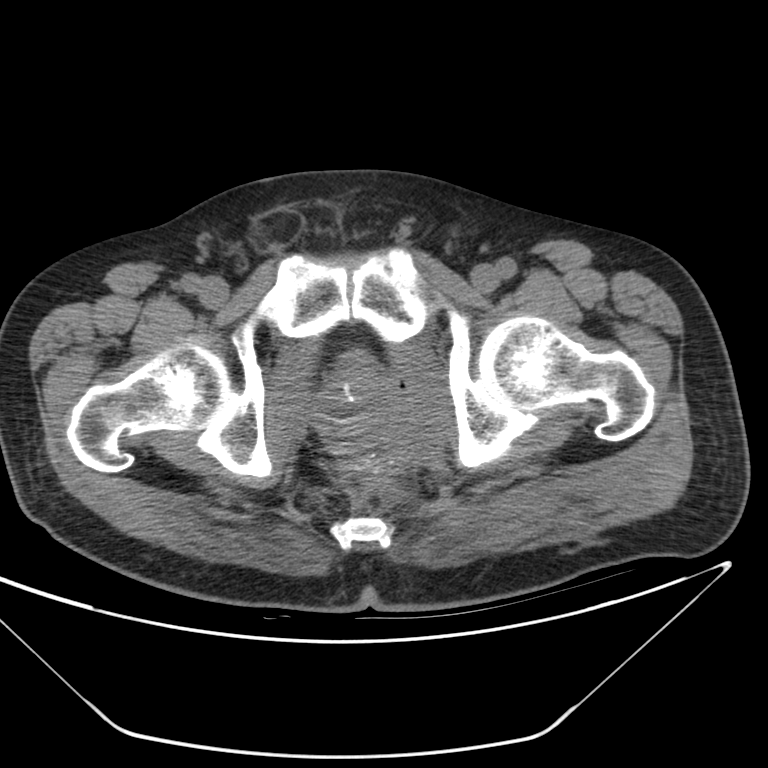
Abdominal CT. axial plane, index 12. soft-tissue window (W 400 / L 40). 50-year-old male patient
Boxes are (x1, y1, x2, y2) in pixels.
prostate/uterus: (324, 377, 371, 407)